Abdominal CT · axial view · soft-tissue window
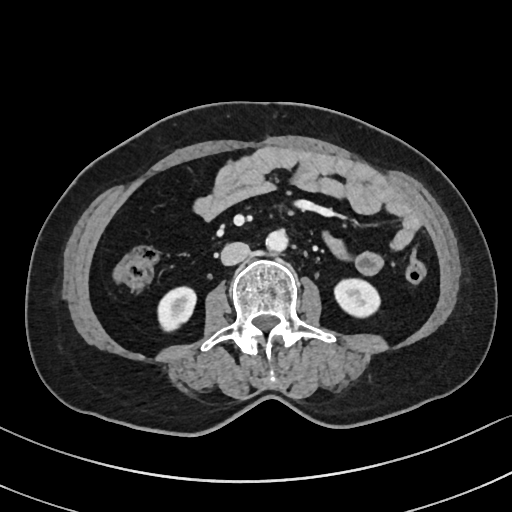 Coordinates as <box>x1,y1,x2,y2</box> in pixels.
Organ bounding boxes:
- right kidney: <box>159,286,195,332</box>
- left kidney: <box>334,277,380,318</box>
- aorta: <box>266,230,288,251</box>
- inferior vena cava: <box>220,242,250,265</box>